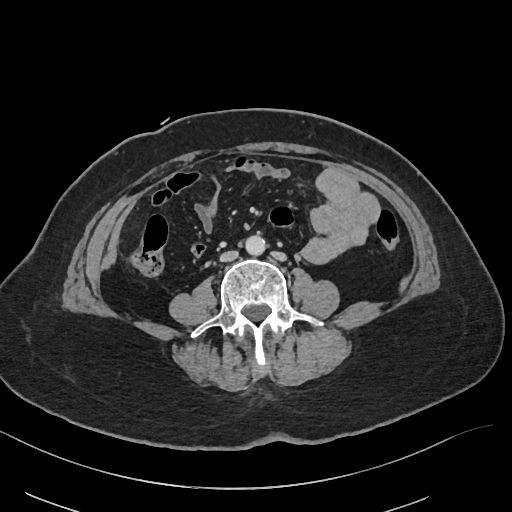 Computed tomography, abdomen; axial view
Bounding boxes in pixels, one row per box: x1, y1 is the top-left corner and x2, y2 the bottom-right.
| organ | x1 | y1 | x2 | y2 |
|---|---|---|---|---|
| inferior vena cava | 220 | 250 | 238 | 262 |
| aorta | 245 | 236 | 265 | 255 |